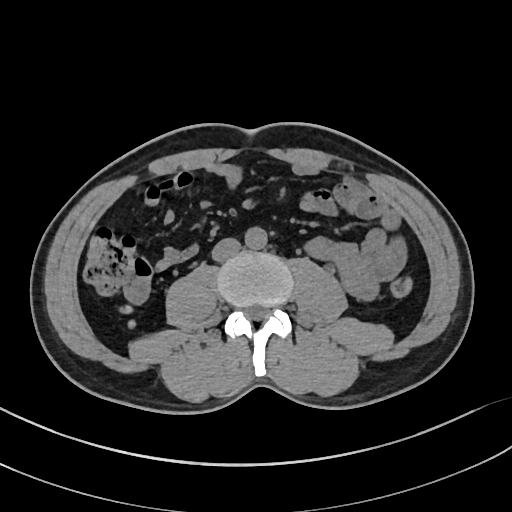

CT abdomen · axial plane, index 115 · 512x512 px · 15 organs annotated in this scan (that count is for the whole scan; organs this slice misses have no box)
Box edges are left/top/right/bottom in pixels. Labeled organs on this slice: aorta at left=245, top=227, right=267, bottom=249, inferior vena cava at left=211, top=238, right=240, bottom=262.